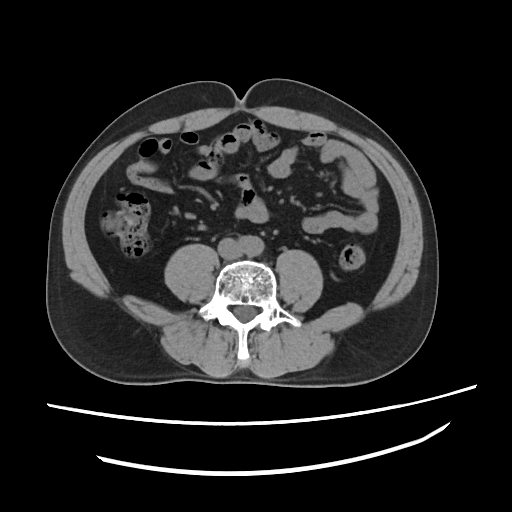

CT, abdomen/pelvis — axial view — abdomen soft-tissue window — 45-year-old male patient
Bounding boxes as [x1, y1, x2, y2] in pixel coordinates.
Organ bounding boxes:
- inferior vena cava: [218, 238, 241, 258]
- aorta: [239, 236, 263, 257]